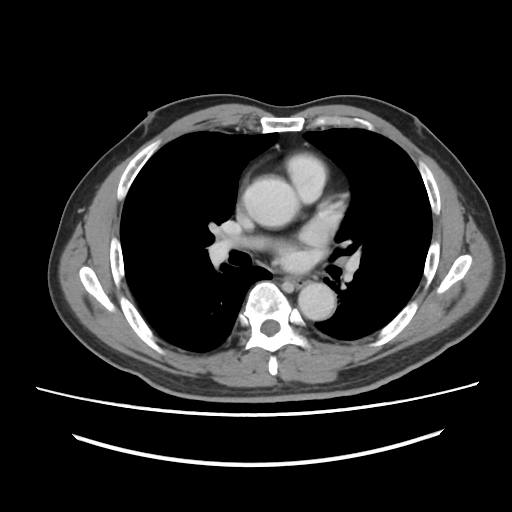 CT of the abdomen extending into the chest, slice through the chest; axial plane, index 97; soft-tissue window, W/L 400/40
On a slice this high in the chest, this dataset labels only the esophagus and the aorta, and each is boxed only where it is labeled; the heart, lungs and other chest structures are not labeled.
Boxes: x1 y1 x2 y2 (pixel coords, space-separated).
esophagus: 285 277 308 287
aorta: 243 178 298 226
aorta: 298 282 335 320